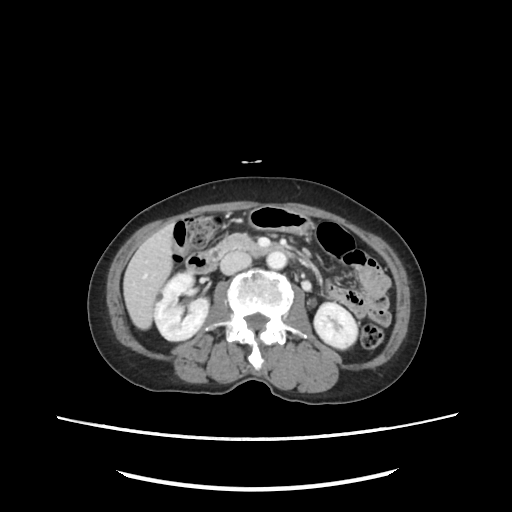

CT, abdomen/pelvis — axial view — W/L 400/40 HU — Aquilion ONE scanner — scan has 15 labeled organs (that count is for the whole scan; organs this slice misses have no box)
Box edges are left/top/right/bottom in pixels.
Organ bounding boxes:
- right kidney: left=155, top=272, right=210, bottom=341
- left kidney: left=314, top=303, right=357, bottom=348
- liver: left=122, top=222, right=176, bottom=329
- stomach: left=248, top=207, right=311, bottom=233
- aorta: left=266, top=252, right=286, bottom=268
- inferior vena cava: left=220, top=252, right=250, bottom=274
- pancreas: left=211, top=235, right=258, bottom=260
- duodenum: left=186, top=244, right=294, bottom=274